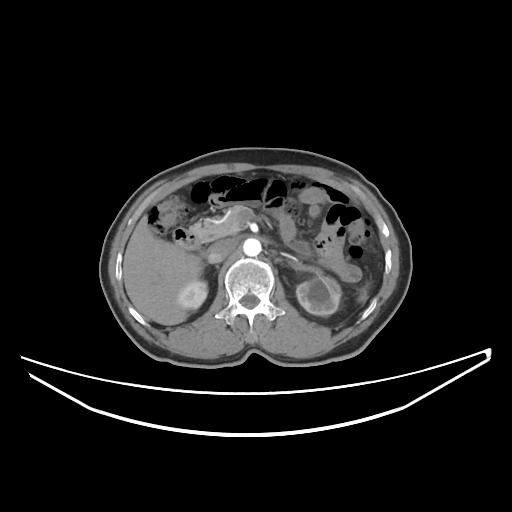 Computed tomography, abdomen. axial view. 62-year-old male patient
Bounding boxes as [x1, y1, x2, y2] in pixel coordinates.
Organ bounding boxes:
- spleen: [359, 288, 366, 301]
- right kidney: [177, 279, 207, 309]
- left kidney: [296, 276, 341, 315]
- liver: [123, 215, 202, 325]
- aorta: [243, 238, 261, 256]
- inferior vena cava: [207, 239, 236, 263]
- pancreas: [191, 206, 248, 241]
- duodenum: [174, 227, 202, 251]